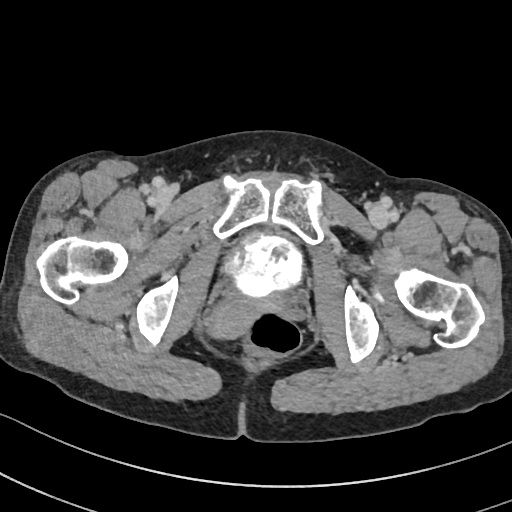
CT abdomen · axial plane, index 9
Boxes are (x1, y1, x2, y2) in pixels. The annotated organs in this slice are: bladder at (223, 234, 302, 300), prostate/uterus at (210, 298, 261, 336).